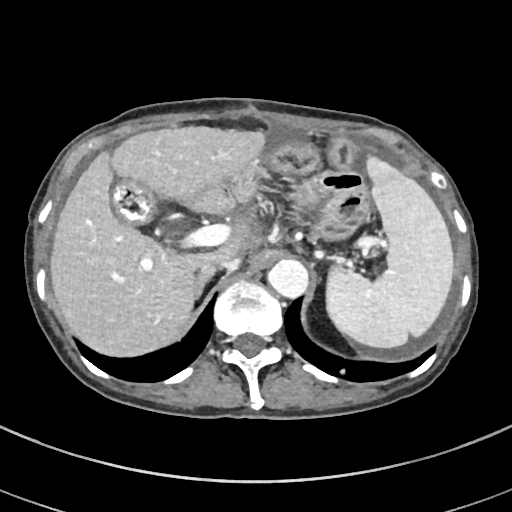
Abdominal CT. axial view. soft-tissue window (W 400 / L 40). 512x512 px
{"organs":{"spleen":[326,156,453,348],"gall bladder":[113,180,155,224],"liver":[50,126,265,356],"aorta":[267,259,308,298],"inferior vena cava":[206,257,240,271],"right adrenal gland":[196,265,214,298]}}